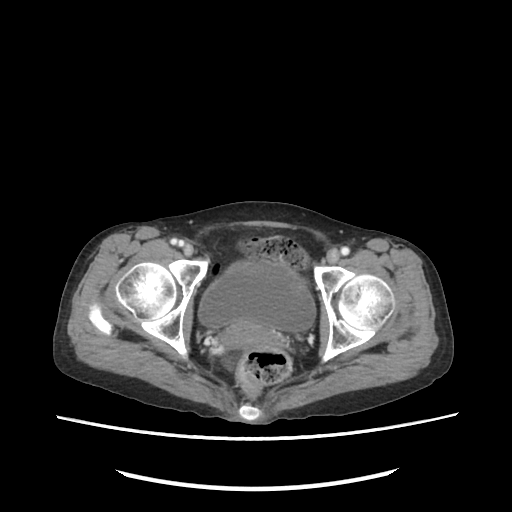
CT abdomen. axial plane, index 19
{"organs":{"bladder":[199,261,315,332],"prostate/uterus":[216,322,288,348]}}